Chest-level slice from an abdominal CT that extends up into the chest. axial view. soft-tissue window, W/L 400/40. acquired on SOMATOM Force
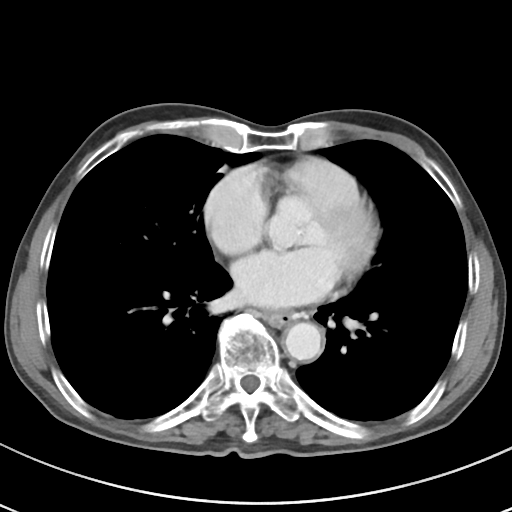

At this level of the chest this dataset labels only the esophagus and the aorta, and each is boxed only where it is labeled; the heart and lungs are never labeled. Boxes: x1 y1 x2 y2 (pixel coords, space-separated). Labeled organs on this slice: aorta at 284 323 321 360, esophagus at 260 310 297 326.